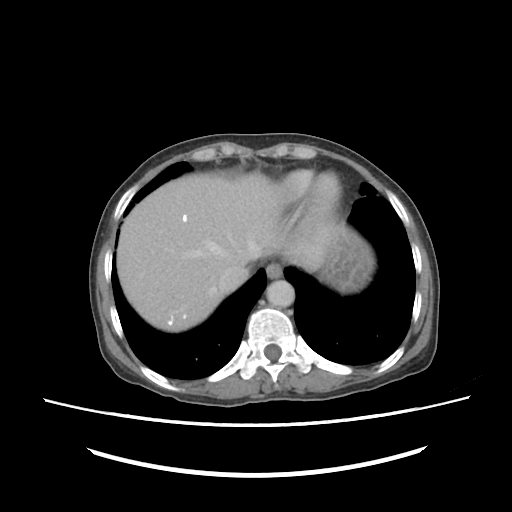

Computed tomography, abdomen · axial plane, index 84 · abdomen soft-tissue window · 60-year-old female patient
Bounding boxes as [x1, y1, x2, y2] in pixel coordinates.
Organ bounding boxes:
- esophagus: [266, 263, 282, 277]
- inferior vena cava: [218, 265, 248, 293]
- stomach: [310, 218, 371, 291]
- liver: [117, 173, 334, 331]
- aorta: [266, 280, 294, 308]